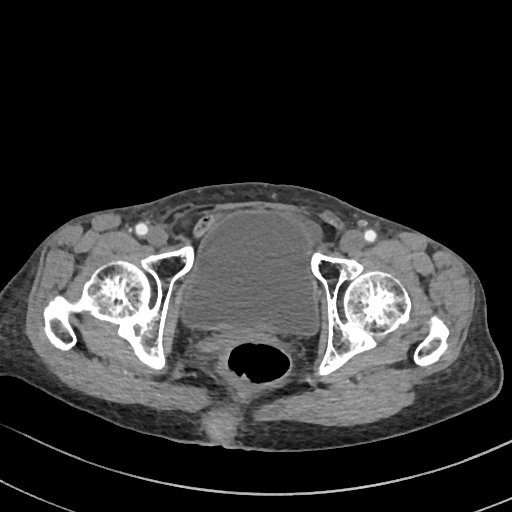

Abdominal CT. Axial slice 54/236. 512x512 px
Each box given as x1,y1,x2,y2. 1 labeled organ on this slice — bladder at x1=181, y1=211, x2=318, y2=335.